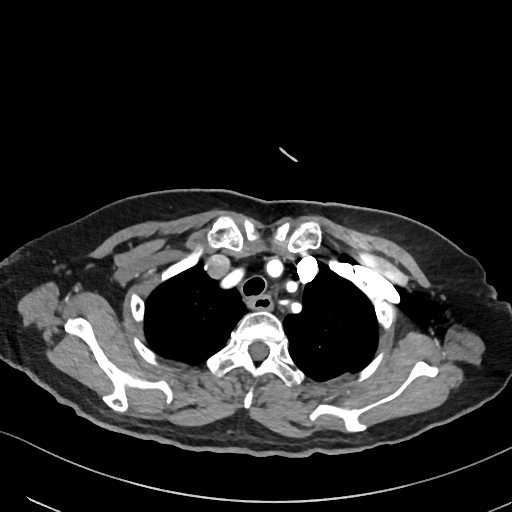 Chest-level CT slice, above the liver and spleen · Axial slice 278/297 · soft-tissue window, W/L 400/40 · 512x512 px
On a slice this high in the chest, this dataset labels only the esophagus and the aorta, and each is boxed only where it is labeled; the heart, lungs and other chest structures are not labeled.
<organs><organ name="esophagus" x1="248" y1="295" x2="272" y2="308"/></organs>